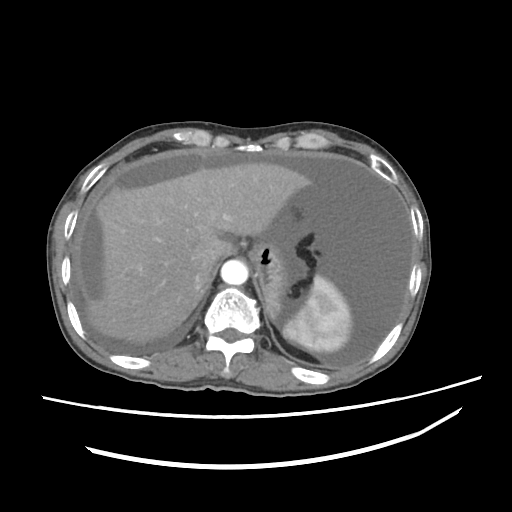

Computed tomography, abdomen. Axial slice 87/103. 512x512 px. 50-year-old male patient
Boxes: x1 y1 x2 y2 (pixel coords, space-separated).
inferior vena cava: 193 269 204 287
liver: 83 161 314 343
aorta: 220 259 248 285
stomach: 251 246 286 323
spleen: 282 274 354 353